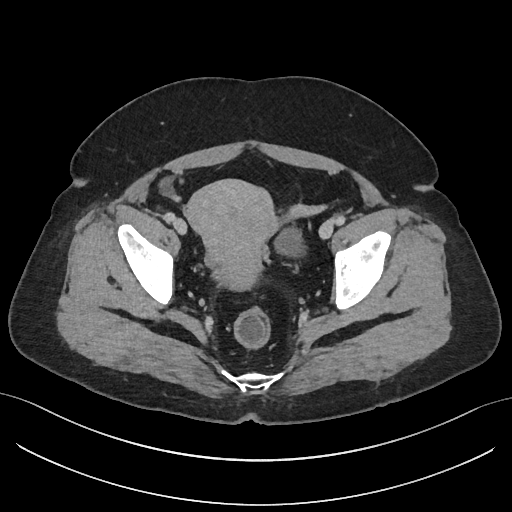 Computed tomography, abdomen. axial view. abdomen soft-tissue window
Bounding boxes as [x1, y1, x2, y2] in pixel coordinates. Labeled organs on this slice: bladder at [274, 229, 300, 252], prostate/uterus at [185, 179, 277, 287].